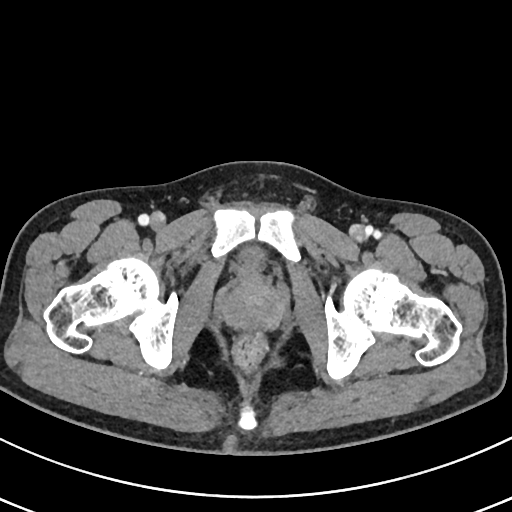 Abdominal CT — axial view
<organs><organ name="bladder" x1="236" y1="245" x2="266" y2="277"/><organ name="prostate/uterus" x1="221" y1="276" x2="284" y2="330"/></organs>